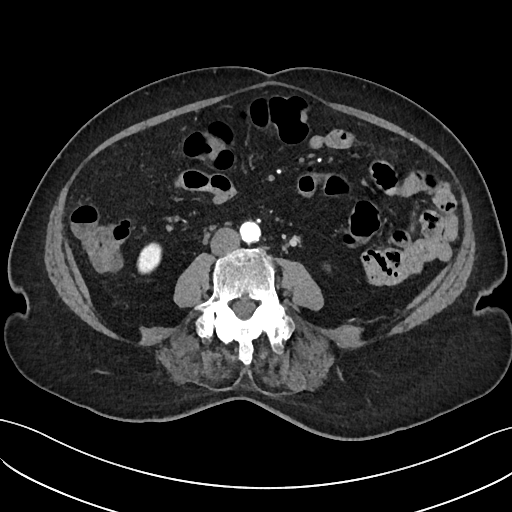

CT abdomen — axial plane, index 94 — soft-tissue window — 512x512 px
One row per box, in pixels: columns x1 and y1 give the top-left corner, x2 and y2 the bottom-right.
| organ | x1 | y1 | x2 | y2 |
|---|---|---|---|---|
| right kidney | 137 | 243 | 161 | 273 |
| aorta | 239 | 221 | 260 | 242 |
| inferior vena cava | 210 | 227 | 239 | 255 |